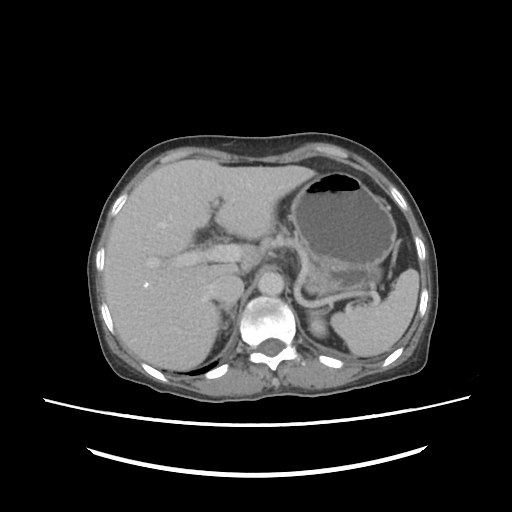 CT, abdomen/pelvis. axial view. 60-year-old female patient
{"organs":{"spleen":[329,269,419,356],"stomach":[289,171,396,295],"pancreas":[303,240,323,277],"aorta":[257,271,284,297],"left kidney":[308,311,327,337],"liver":[103,158,315,370],"right adrenal gland":[218,301,236,322],"inferior vena cava":[211,275,244,303]}}